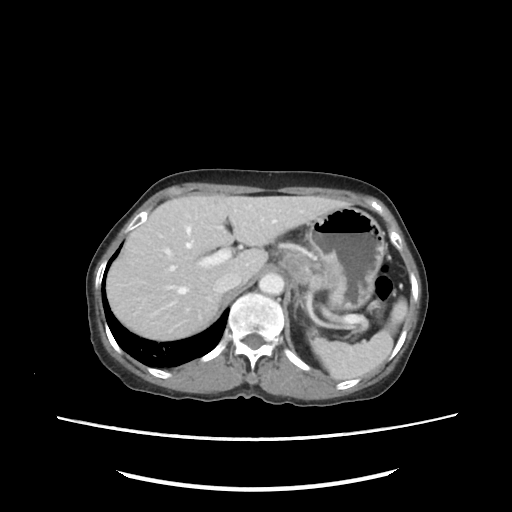

CT abdomen. axial view. soft-tissue window (W 400 / L 40). 512x512 px. 73-year-old female patient
Bounding boxes as [x1, y1, x2, y2] in pixel coordinates.
spleen: [312, 300, 407, 379]
left kidney: [308, 330, 321, 343]
liver: [105, 194, 350, 341]
stomach: [280, 206, 386, 312]
aorta: [258, 273, 284, 295]
inferior vena cava: [212, 271, 240, 293]
pancreas: [299, 254, 363, 333]
left adrenal gland: [293, 296, 304, 321]